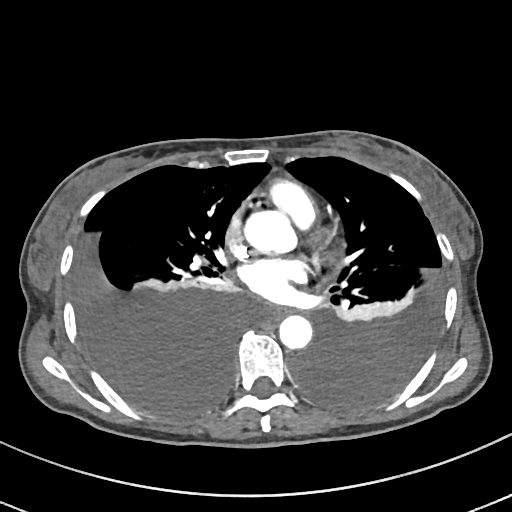 CT of the abdomen reaching into the lower chest, slice just above the liver and spleen; axial view; acquired on SOMATOM Force
No part of the heart or lungs is labeled in this dataset, so neither has a box here.
<organs><organ name="esophagus" x1="266" y1="307" x2="288" y2="318"/><organ name="aorta" x1="247" y1="210" x2="295" y2="253"/><organ name="aorta" x1="279" y1="315" x2="312" y2="349"/></organs>